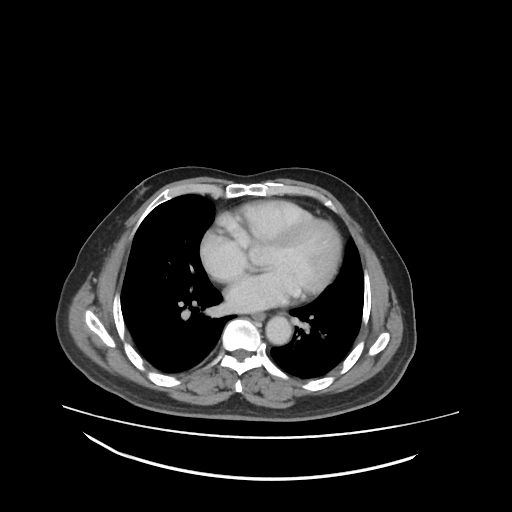 Lower-chest slice from an abdominal CT, just above the liver and spleen · Axial slice 88/116 · soft-tissue window · 66-year-old male patient
Of the structures in the chest, this dataset labels only the esophagus, the aorta and the inferior vena cava; the heart and lungs have no label.
<organs><organ name="esophagus" x1="253" y1="312" x2="266" y2="320"/><organ name="aorta" x1="265" y1="316" x2="290" y2="345"/></organs>